Lower-chest slice from an abdominal CT, just above the liver and spleen · Axial slice 336/353 · 15 organs annotated in this scan (that count is for the whole scan; organs this slice misses have no box)
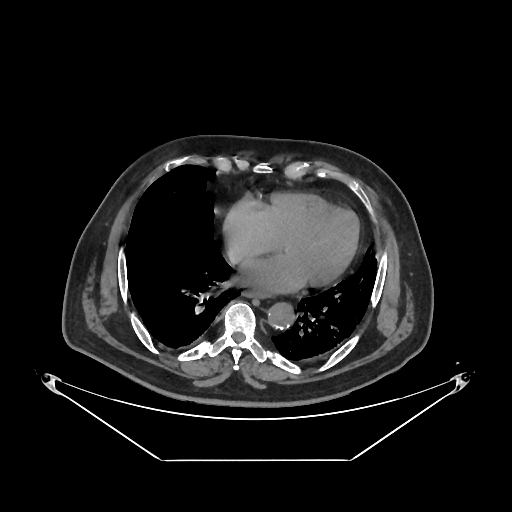

The heart and lungs are never labeled in this dataset, so they have no box on this slice.
Bounding boxes in pixels, one row per box: x1, y1 is the top-left corner and x2, y2 the bottom-right.
| organ | x1 | y1 | x2 | y2 |
|---|---|---|---|---|
| esophagus | 246 | 291 | 266 | 296 |
| aorta | 268 | 302 | 294 | 329 |